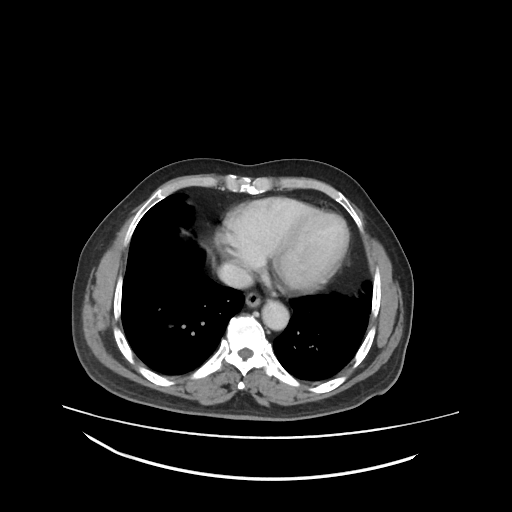

CT of the abdomen reaching into the lower chest, slice just above the liver and spleen. Axial slice 82/116
No part of the heart or lungs is labeled in this dataset, so neither has a box here.
Organ boxes in pixel coordinates; each row gives the top-left (x1, y1) and bottom-right (x2, y2) corners.
| organ | x1 | y1 | x2 | y2 |
|---|---|---|---|---|
| esophagus | 245 | 290 | 260 | 307 |
| aorta | 261 | 300 | 289 | 331 |
| inferior vena cava | 217 | 263 | 254 | 289 |